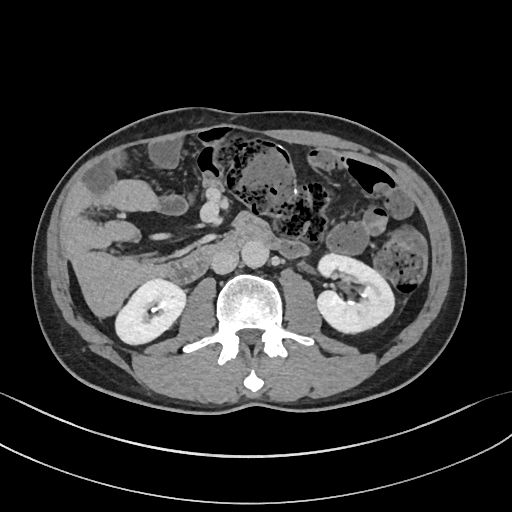
CT, abdomen/pelvis; axial plane, index 142; 512x512 px; scan has 14 labeled organs (that count is for the whole scan; organs this slice misses have no box)
<organs><organ name="right kidney" x1="114" y1="278" x2="186" y2="345"/><organ name="left kidney" x1="316" y1="253" x2="393" y2="335"/><organ name="aorta" x1="241" y1="242" x2="268" y2="268"/><organ name="inferior vena cava" x1="211" y1="250" x2="238" y2="274"/><organ name="duodenum" x1="164" y1="228" x2="282" y2="283"/></organs>